Computed tomography, abdomen — axial view — soft-tissue window (W 400 / L 40) — 768x768 px — acquired on Brilliance16
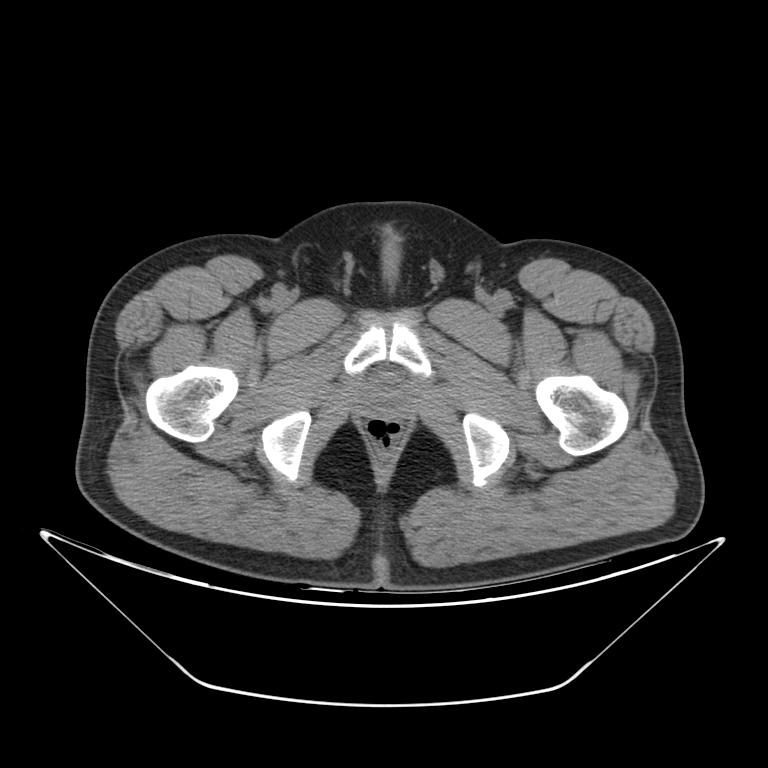 Boxes are (x1, y1, x2, y2) in pixels.
Organ bounding boxes:
- prostate/uterus: (372, 386, 400, 411)